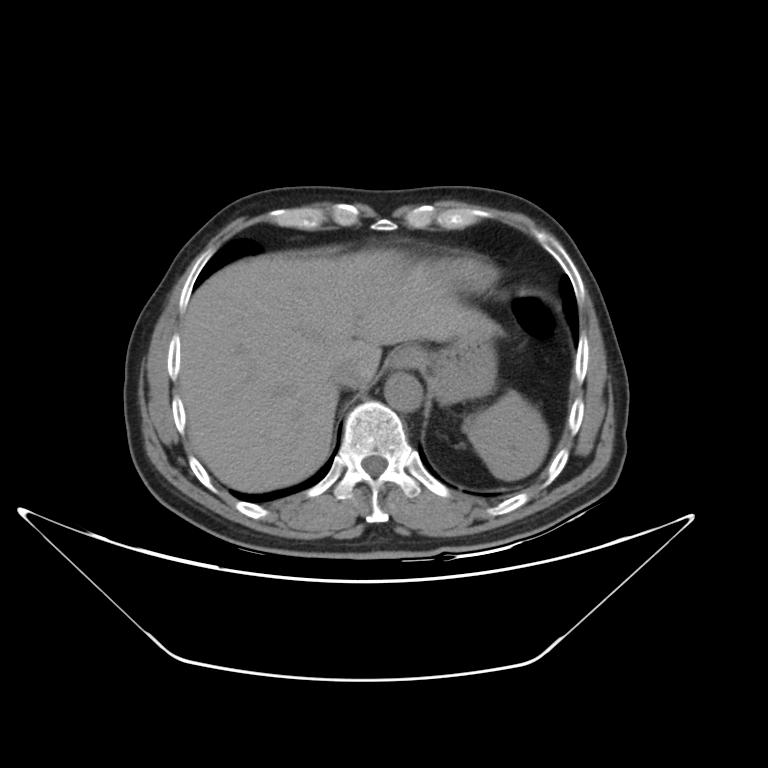
CT abdomen · axial view · 768x768 px · scan has 15 labeled organs (a whole-scan count: organs this slice does not pass through have no box)
<organs><organ name="spleen" x1="462" y1="391" x2="549" y2="480"/><organ name="esophagus" x1="391" y1="345" x2="429" y2="369"/><organ name="liver" x1="180" y1="251" x2="503" y2="493"/><organ name="stomach" x1="426" y1="337" x2="496" y2="401"/><organ name="aorta" x1="384" y1="372" x2="421" y2="412"/><organ name="inferior vena cava" x1="332" y1="363" x2="368" y2="389"/></organs>